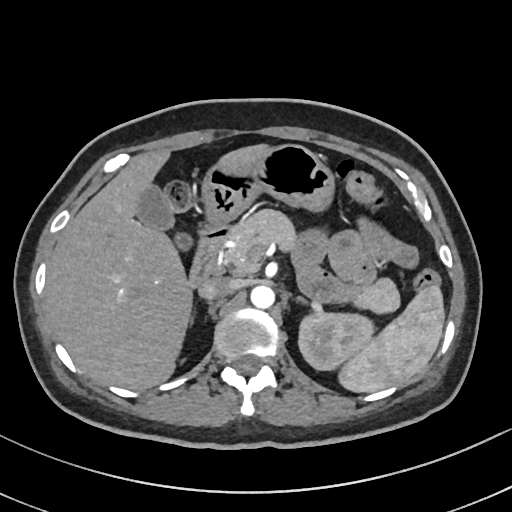

Abdominal CT · axial view · 512x512 px
One row per box, in pixels: columns x1 and y1 give the top-left corner, x2 and y2 the bottom-right.
| organ | x1 | y1 | x2 | y2 |
|---|---|---|---|---|
| spleen | 336 | 284 | 444 | 393 |
| left kidney | 300 | 313 | 375 | 369 |
| gall bladder | 140 | 187 | 175 | 233 |
| liver | 45 | 143 | 278 | 390 |
| stomach | 200 | 145 | 336 | 223 |
| aorta | 251 | 285 | 275 | 309 |
| inferior vena cava | 197 | 277 | 234 | 300 |
| pancreas | 225 | 210 | 399 | 310 |
| right adrenal gland | 190 | 311 | 195 | 328 |
| left adrenal gland | 292 | 297 | 310 | 307 |
| duodenum | 190 | 223 | 236 | 283 |